Computed tomography, abdomen. axial view. abdomen soft-tissue window. 512x512 px. scan has 15 labeled organs (counted over the whole 3D scan, not this slice; an organ is boxed only where this slice passes through it)
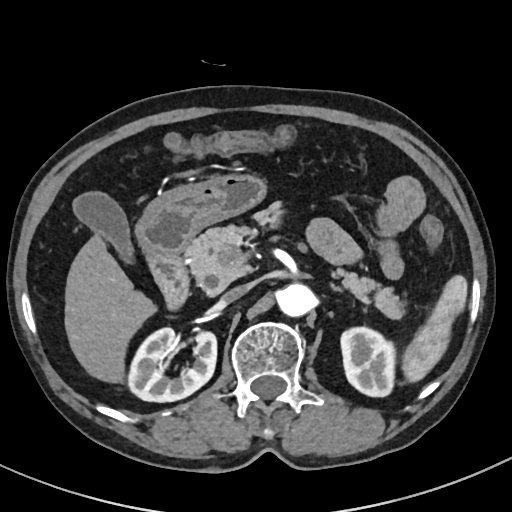
Boxes: x1 y1 x2 y2 (pixel coords, space-separated).
pancreas: 185 207 405 319
stomach: 135 174 266 257
aorta: 277 283 315 316
left adrenal gland: 330 283 342 292
left kidney: 341 327 395 396
gall bladder: 73 191 134 263
inferior vena cava: 220 284 251 304
liver: 64 233 156 383
duodenum: 148 254 189 310
spleen: 402 275 467 382
right kidney: 128 327 216 402